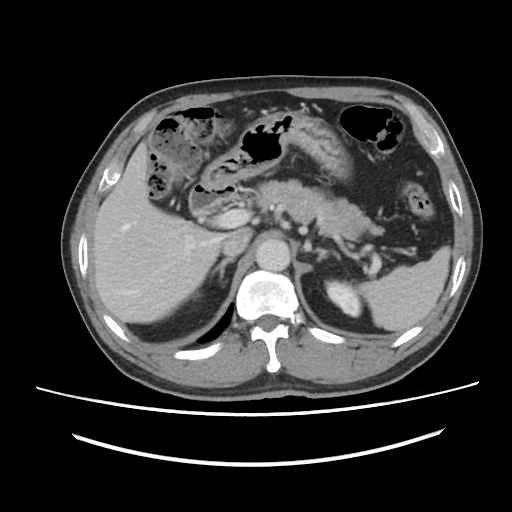
Abdominal CT — axial plane, index 68 — soft-tissue window (W 400 / L 40) — 512x512 px
Organ boxes in pixel coordinates; each row gives the top-left (x1, y1) and bottom-right (x2, y2) corners.
| organ | x1 | y1 | x2 | y2 |
|---|---|---|---|---|
| pancreas | 255 | 179 | 373 | 238 |
| liver | 92 | 141 | 250 | 323 |
| right adrenal gland | 211 | 257 | 235 | 281 |
| duodenum | 189 | 182 | 235 | 214 |
| left kidney | 326 | 280 | 361 | 316 |
| left adrenal gland | 314 | 248 | 340 | 261 |
| aorta | 255 | 239 | 290 | 271 |
| spleen | 358 | 246 | 451 | 331 |
| stomach | 202 | 111 | 350 | 184 |
| inferior vena cava | 221 | 230 | 251 | 256 |